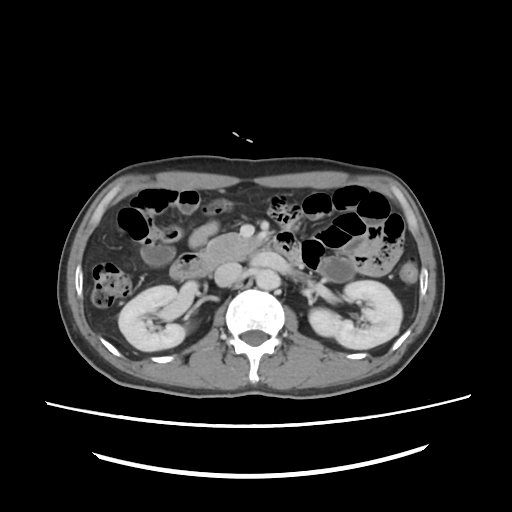

CT, abdomen/pelvis. axial view. abdomen soft-tissue window. 512x512 px. scan has 15 labeled organs (a whole-scan count: organs this slice does not pass through have no box)
Bounding boxes as [x1, y1, x2, y2] in pixel coordinates. 6 labeled organs on this slice — right kidney at [119, 285, 189, 352]; left kidney at [309, 280, 402, 349]; aorta at [255, 269, 279, 289]; inferior vena cava at [215, 263, 241, 287]; pancreas at [199, 234, 265, 262]; duodenum at [169, 229, 303, 278].